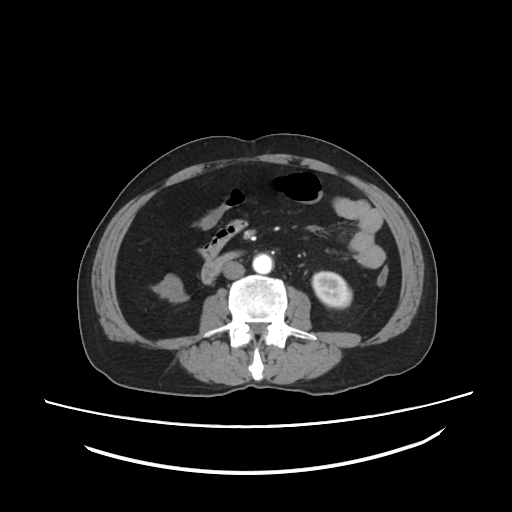
Computed tomography, abdomen. axial plane, index 52. 512x512 px. 15 organs annotated in this scan (a whole-scan count: organs this slice does not pass through have no box)
Boxes: x1 y1 x2 y2 (pixel coords, space-separated). The annotated organs in this slice are: left kidney at 312 272 351 307, aorta at 252 253 273 273, inferior vena cava at 223 261 244 279, duodenum at 201 251 240 283.